Abdominal CT reaching into the chest; this slice is in the chest — axial view — 512x512 px
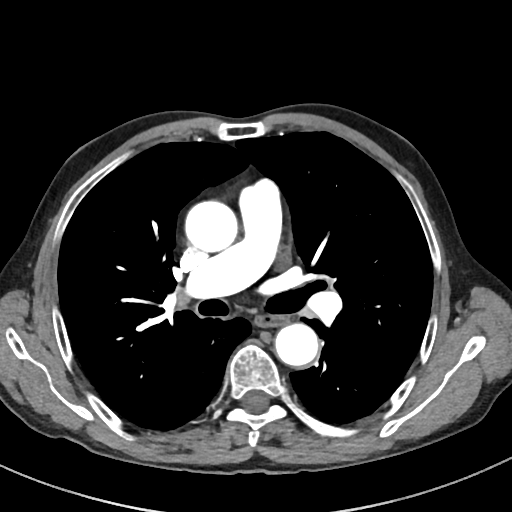
At this level of the chest this dataset labels only the esophagus and the aorta, and each is boxed only where it is labeled; the heart and lungs are never labeled.
<organs><organ name="aorta" x1="185" y1="200" x2="237" y2="252"/><organ name="aorta" x1="275" y1="323" x2="318" y2="366"/><organ name="esophagus" x1="255" y1="314" x2="287" y2="327"/></organs>